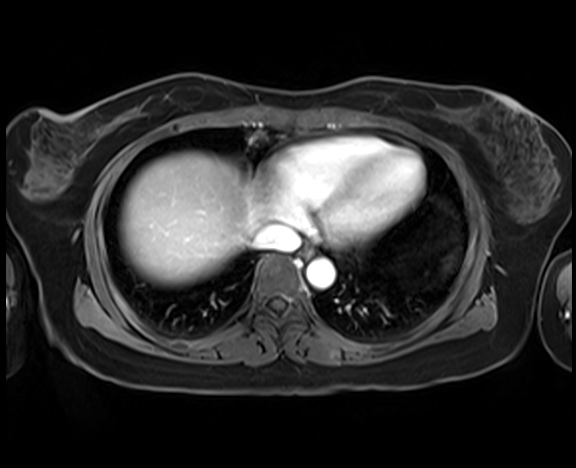

Magnetic resonance imaging, abdomen. axial view. percentile-normalized
Box edges are left/top/right/bottom in pixels. 4 labeled organs on this slice — esophagus at left=301, top=247, right=313, bottom=258; liver at left=120, top=152, right=263, bottom=285; aorta at left=306, top=258, right=335, bottom=288; inferior vena cava at left=253, top=223, right=300, bottom=250.